CT, abdomen/pelvis — axial view — soft-tissue window
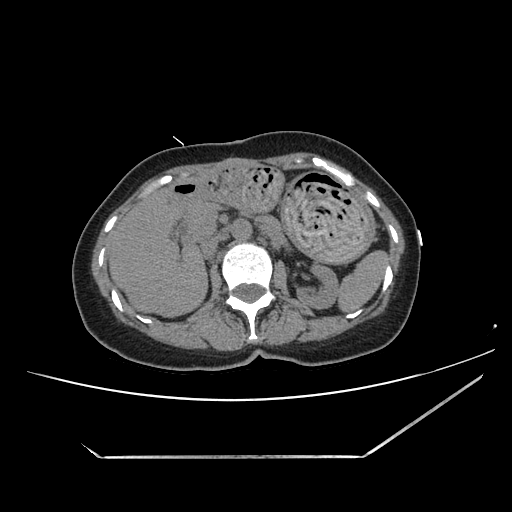
<organs><organ name="spleen" x1="338" y1="250" x2="387" y2="312"/><organ name="left kidney" x1="296" y1="263" x2="339" y2="309"/><organ name="liver" x1="107" y1="186" x2="207" y2="317"/><organ name="stomach" x1="173" y1="160" x2="375" y2="262"/><organ name="aorta" x1="231" y1="219" x2="252" y2="240"/><organ name="inferior vena cava" x1="200" y1="236" x2="221" y2="258"/><organ name="pancreas" x1="187" y1="198" x2="278" y2="240"/><organ name="duodenum" x1="174" y1="191" x2="194" y2="242"/></organs>